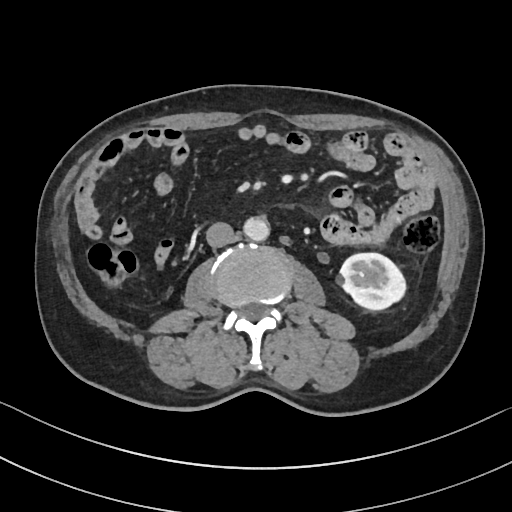
CT abdomen · axial view · soft-tissue window · acquired on SOMATOM Force
Each box given as x1,y1,x2,y2.
left kidney: x1=338, y1=253, x2=405, y2=309
aorta: x1=243, y1=217, x2=269, y2=241
inferior vena cava: x1=206, y1=222, x2=234, y2=247